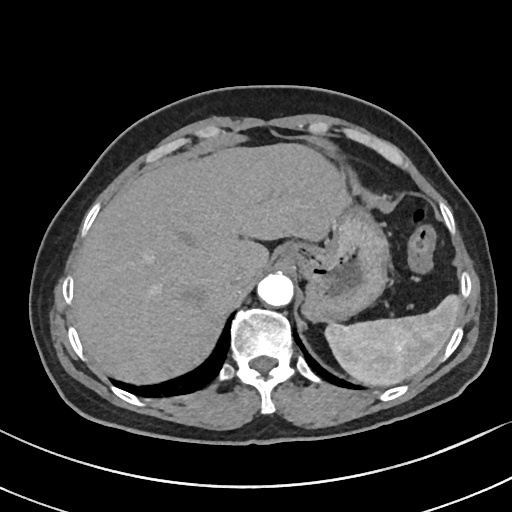 CT, abdomen/pelvis — Axial slice 182/294
Each box given as x1,y1,x2,y2.
Organ bounding boxes:
- spleen: x1=326, y1=293, x2=461, y2=387
- liver: x1=73, y1=143, x2=350, y2=385
- stomach: x1=281, y1=202, x2=391, y2=321
- aorta: x1=257, y1=272, x2=293, y2=306
- inferior vena cava: x1=224, y1=265, x2=253, y2=288